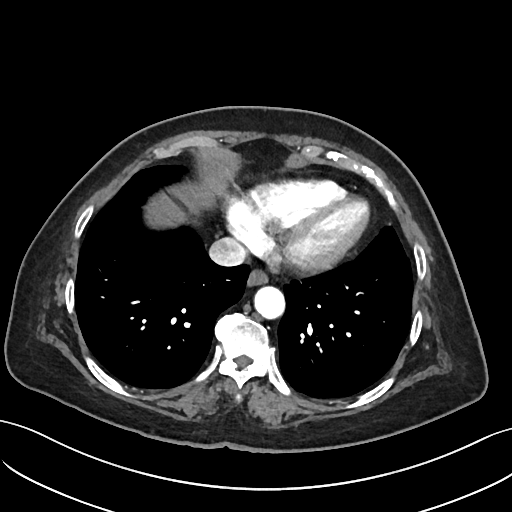

CT, abdomen/pelvis · axial view
Box edges are left/top/right/bottom in pixels. Labeled organs on this slice: inferior vena cava at left=209, top=237, right=246, bottom=266, aorta at left=254, top=286, right=285, bottom=318, esophagus at left=247, top=269, right=268, bottom=286, liver at left=146, top=194, right=185, bottom=226.